Chest-level CT slice, above the liver and spleen — axial view
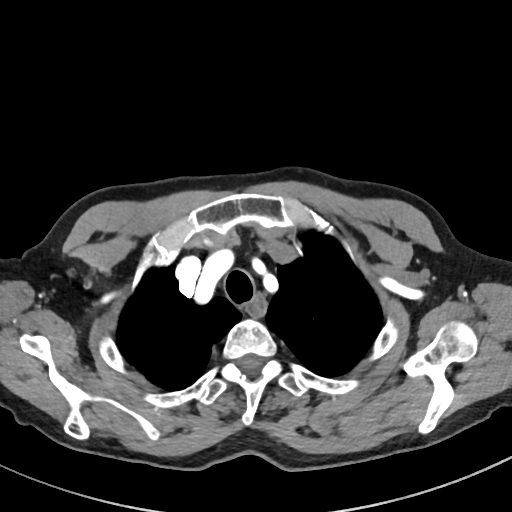
At this level of the chest this dataset labels only the esophagus and the aorta, and each is boxed only where it is labeled; the heart and lungs are never labeled.
<organs><organ name="esophagus" x1="246" y1="296" x2="266" y2="315"/></organs>